Computed tomography, abdomen; axial view; soft-tissue window (W 400 / L 40); 512x512 px; 14 organs annotated in this scan (counted over the whole 3D scan, not this slice; an organ is boxed only where this slice passes through it)
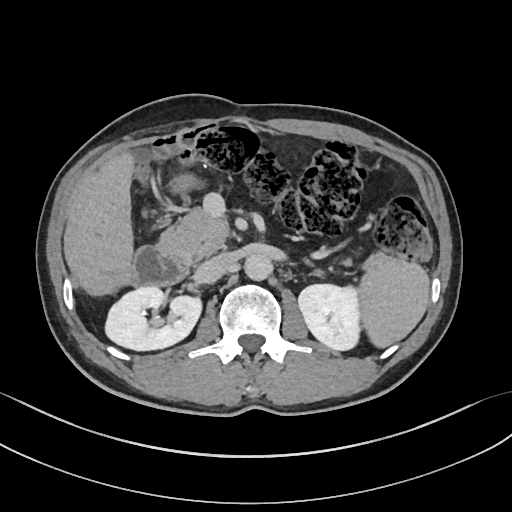

{"organs":{"spleen":[359,254,429,347],"right kidney":[105,287,201,350],"left kidney":[298,284,360,350],"liver":[77,151,134,274],"stomach":[171,175,193,190],"aorta":[244,253,272,280],"inferior vena cava":[199,253,235,282],"pancreas":[160,208,350,264],"duodenum":[130,246,187,286]}}